Abdominal MR · axial view · percentile-normalized · Prisma scanner
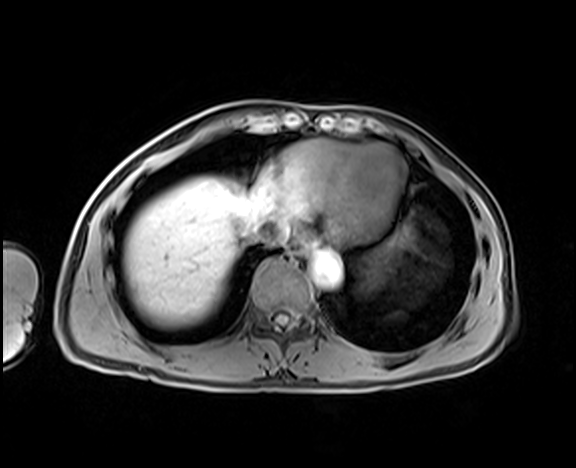 Coordinates as <box>x1,y1,x2,y2</box> in pixels.
esophagus: <box>287,241,308,256</box>
liver: <box>123,176,256,328</box>
stomach: <box>360,253,387,292</box>
aorta: <box>312,251,341,286</box>
inferior vena cava: <box>254,217,285,245</box>